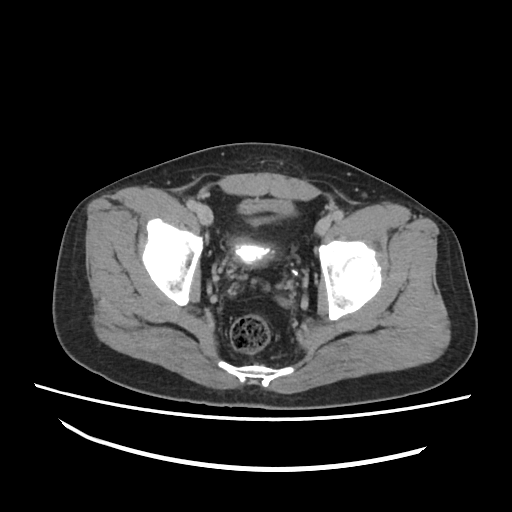
Computed tomography, abdomen · axial view · W/L 400/40 HU · 44-year-old male patient
Coordinates as <box>x1,y1,x2,y2</box> in pixels. The annotated organs in this slice are: bladder at <box>232,197,292,265</box>.